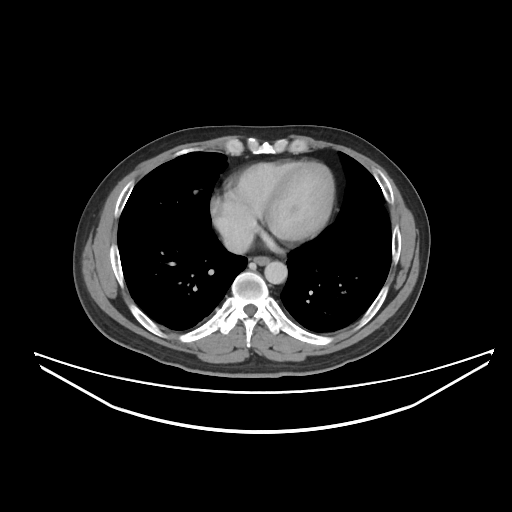
Abdominal CT; this slice is in the lower chest, just above the liver; Axial slice 93/131; 512x512 px; scan has 15 labeled organs (counted over the whole 3D scan, not this slice; an organ is boxed only where this slice passes through it)
Of the structures in the chest, this dataset labels only the esophagus, the aorta and the inferior vena cava; the heart and lungs have no label.
<organs><organ name="esophagus" x1="253" y1="256" x2="269" y2="265"/><organ name="aorta" x1="264" y1="261" x2="287" y2="284"/><organ name="inferior vena cava" x1="225" y1="235" x2="249" y2="253"/></organs>